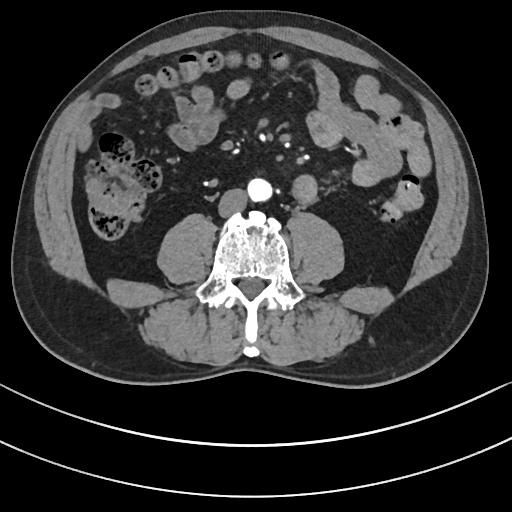

CT, abdomen/pelvis. axial view. W/L 400/40 HU. SOMATOM Force scanner
{"organs":{"aorta":[247,178,271,201],"inferior vena cava":[218,188,246,217]}}